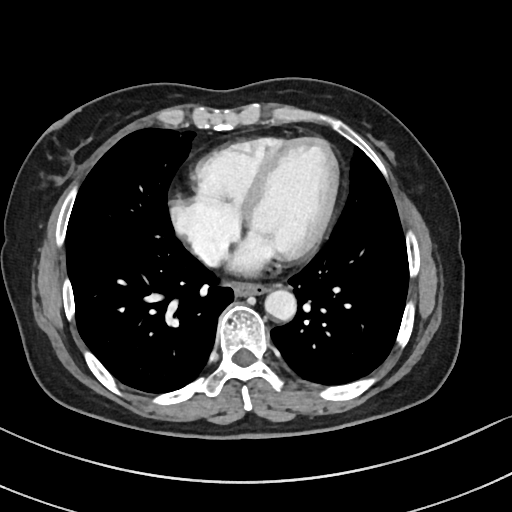
Abdominal CT; this slice is in the lower chest, just above the liver. axial view
No part of the heart or lungs is labeled in this dataset, so neither has a box here. Boxes are (x1, y1, x2, y2) in pixels. Labeled organs on this slice: esophagus at (232, 284, 269, 296), aorta at (264, 290, 296, 319).